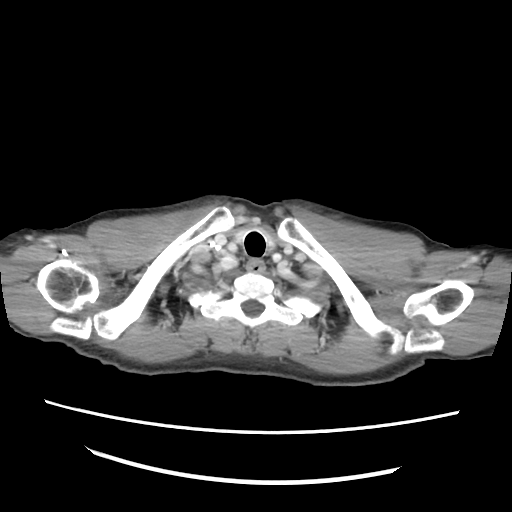
Chest-level slice from an abdominal CT that extends up into the chest · Axial slice 112/112 · 61-year-old male patient
At this level of the chest this dataset labels only the esophagus and the aorta, and each is boxed only where it is labeled; the heart and lungs are never labeled.
{"organs":{"esophagus":[248,260,264,274]}}